CT, abdomen/pelvis · axial plane, index 57 · abdomen soft-tissue window · 512x512 px · scan has 15 labeled organs (a whole-scan count: organs this slice does not pass through have no box)
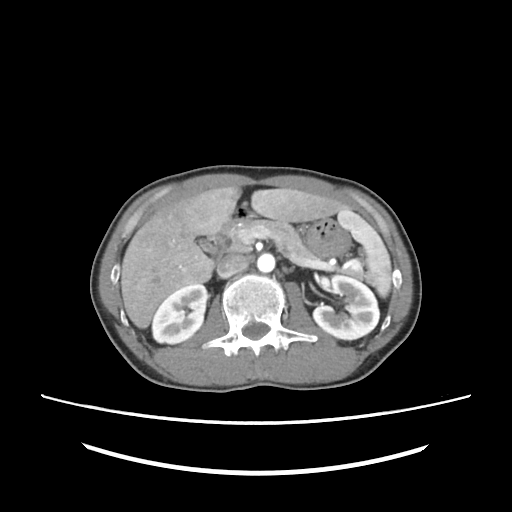 Boxes are (x1, y1, x2, y2) in pixels. The annotated organs in this slice are: spleen at (337, 208, 391, 297), right kidney at (152, 283, 208, 343), left kidney at (313, 275, 379, 339), gall bladder at (198, 238, 217, 255), liver at (121, 186, 345, 328), stomach at (248, 215, 350, 256), aorta at (257, 253, 275, 272), inferior vena cava at (217, 254, 248, 277), pancreas at (230, 220, 316, 260), duodenum at (212, 208, 248, 261).